MRI of the abdomen reaching into the lower chest, slice just above the liver and spleen. axial view
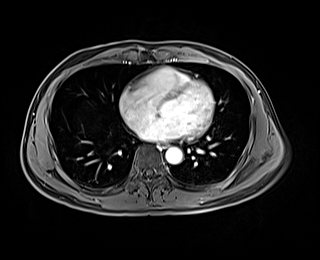

No part of the heart or lungs is labeled in this dataset, so neither has a box here.
Boxes: x1 y1 x2 y2 (pixel coords, space-separated).
esophagus: 160 142 168 148
aorta: 165 147 182 163